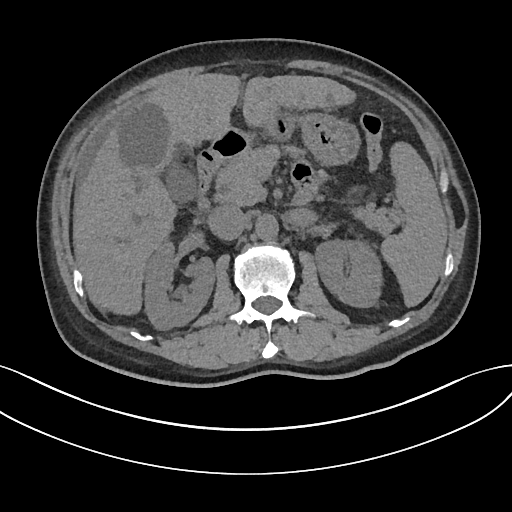
CT abdomen; Axial slice 140/213; abdomen soft-tissue window; scan has 15 labeled organs (counted over the whole 3D scan, not this slice; an organ is boxed only where this slice passes through it)
{"organs":{"spleen":[381,142,447,306],"right kidney":[144,240,214,329],"left kidney":[315,239,382,307],"gall bladder":[165,162,196,202],"liver":[73,73,355,314],"stomach":[262,110,360,165],"aorta":[255,214,278,239],"inferior vena cava":[207,205,247,240],"pancreas":[215,145,394,234],"duodenum":[197,130,312,205]}}